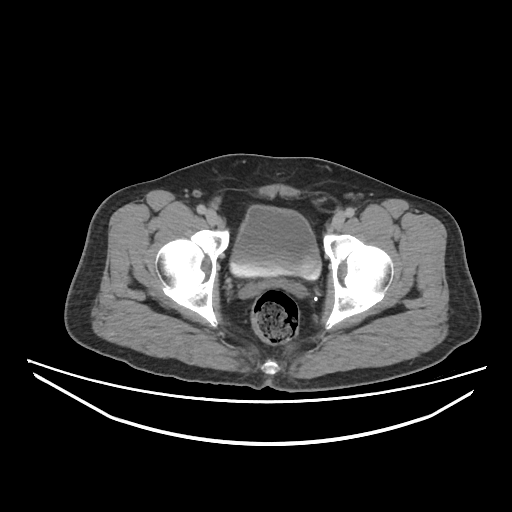
Computed tomography, abdomen · axial view · soft-tissue window · 55-year-old male patient
{"organs":{"bladder":[228,207,322,280]}}